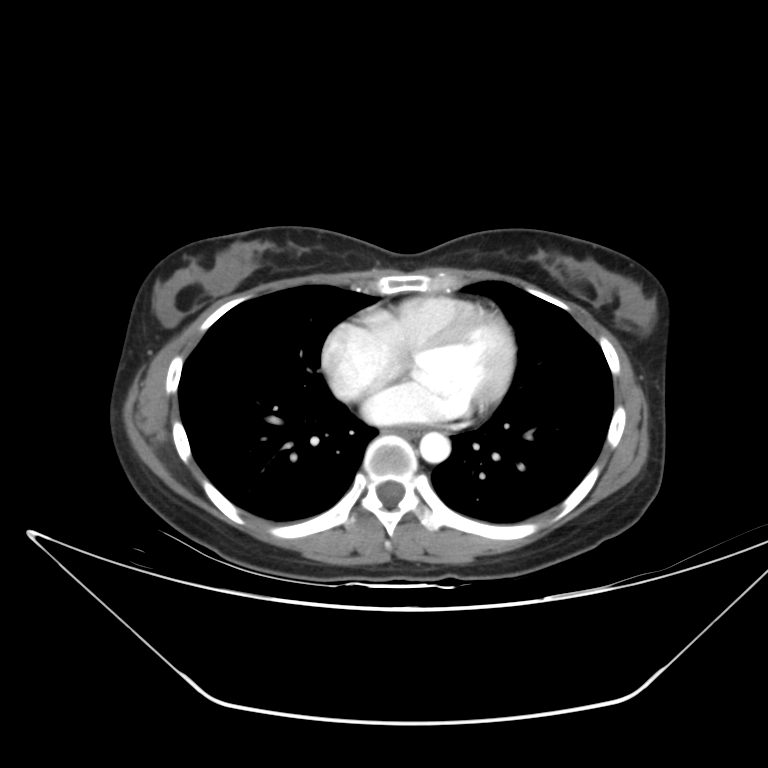

Abdominal CT; this slice is in the lower chest, just above the liver. axial view. soft-tissue window (W 400 / L 40). scan has 13 labeled organs (a whole-scan count: organs this slice does not pass through have no box)
No part of the heart or lungs is labeled in this dataset, so neither has a box here. Bounding boxes as [x1, y1, x2, y2] in pixel coordinates. 2 labeled organs on this slice — aorta at [419, 432, 450, 463]; esophagus at [396, 427, 421, 439].